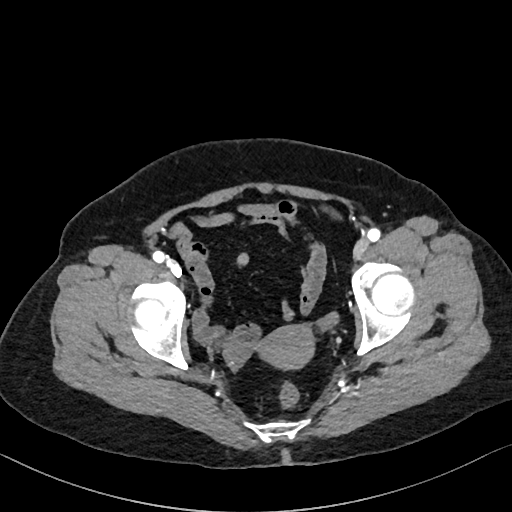
Abdominal CT; axial view; W/L 400/40 HU; acquired on SOMATOM Force
Boxes are (x1, y1, x2, y2) in pixels.
prostate/uterus: (259, 326, 313, 368)